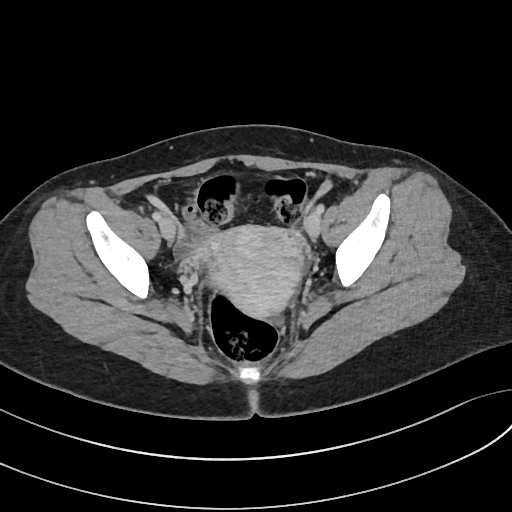 Computed tomography, abdomen · axial plane, index 52 · 512x512 px
Bounding boxes as [x1, y1, x2, y2] in pixel coordinates.
Organ bounding boxes:
- prostate/uterus: [207, 226, 304, 318]